CT abdomen. axial view. 512x512 px
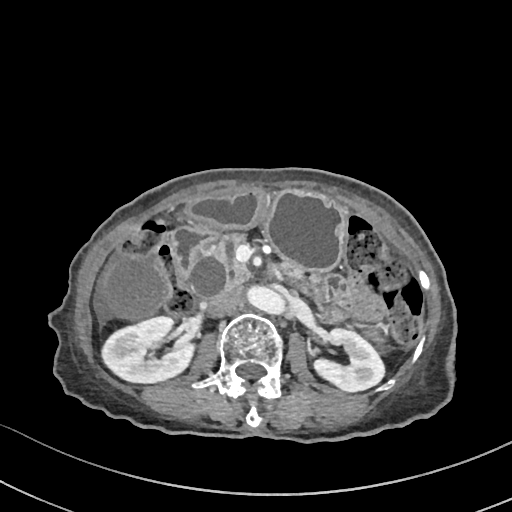 Boxes: x1 y1 x2 y2 (pixel coords, space-separated). Labeled organs on this slice: right kidney at 101 316 194 383, left kidney at 314 329 384 392, gall bladder at 105 256 167 317, stomach at 189 190 345 271, aorta at 247 287 284 314, inferior vena cava at 208 288 242 316, pancreas at 206 234 320 291, duodenum at 170 227 217 275.